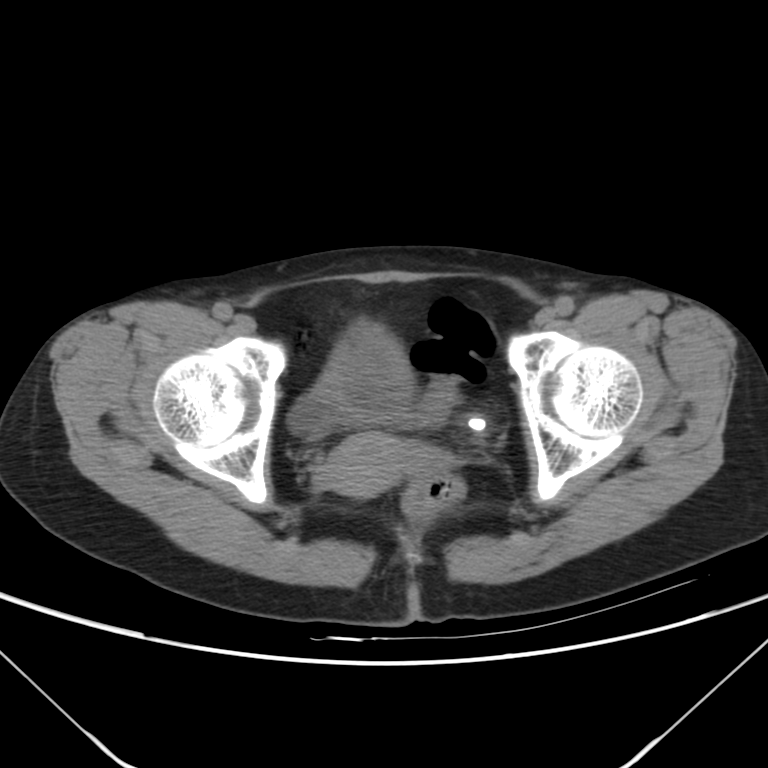

CT abdomen; Axial slice 18/92; 768x768 px; 63-year-old female patient
Boxes: x1:y1:x2:y2 in pixels. 2 labeled organs on this slice — bladder at 288:325:413:435; prostate/uterus at 323:433:443:496.